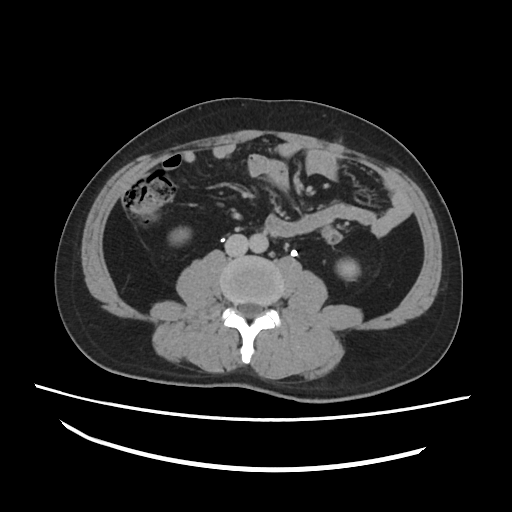

CT abdomen · Axial slice 53/97 · W/L 400/40 HU · scan has 15 labeled organs (counted over the whole 3D scan, not this slice; an organ is boxed only where this slice passes through it)
<organs><organ name="right kidney" x1="170" y1="227" x2="188" y2="243"/><organ name="left kidney" x1="337" y1="259" x2="359" y2="277"/><organ name="aorta" x1="248" y1="234" x2="268" y2="253"/><organ name="inferior vena cava" x1="226" y1="234" x2="248" y2="256"/></organs>